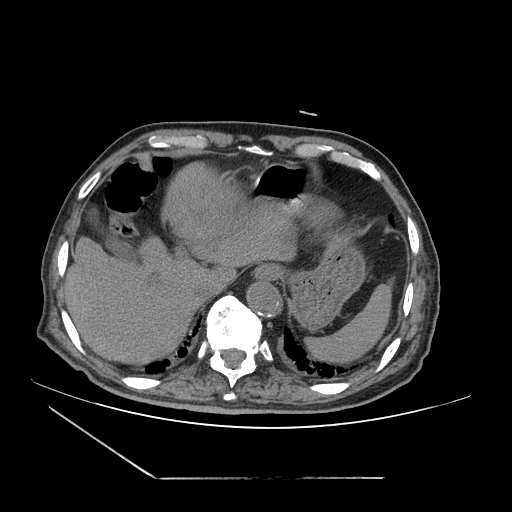
CT abdomen — Axial slice 157/187
Boxes are (x1, y1, x2, y2) in pixels.
Organ bounding boxes:
- spleen: (304, 282, 392, 363)
- gall bladder: (104, 237, 139, 261)
- esophagus: (253, 264, 282, 280)
- liver: (64, 163, 295, 364)
- stomach: (253, 164, 365, 330)
- aorta: (246, 281, 281, 316)
- inferior vena cava: (191, 279, 221, 299)